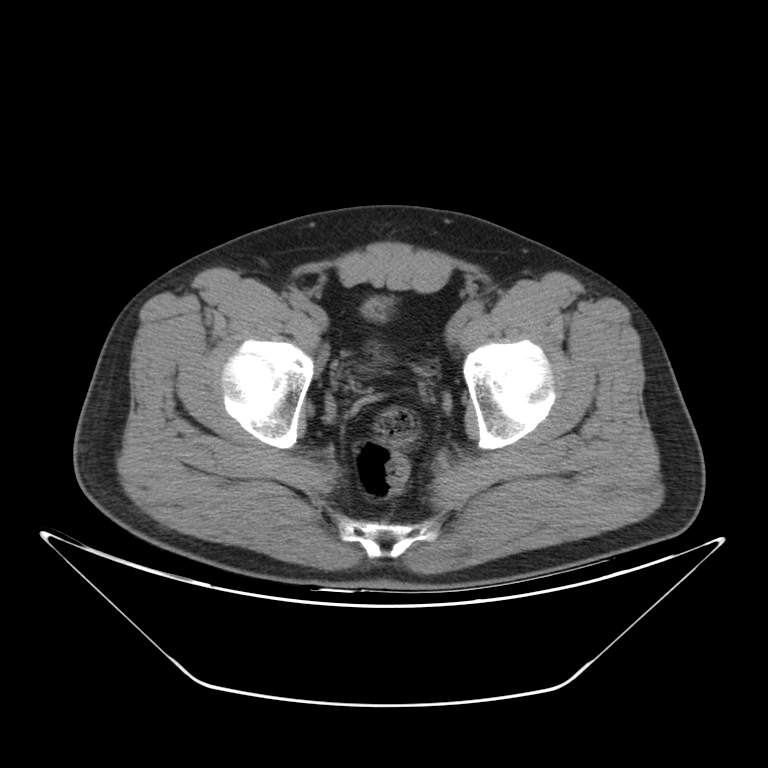 Computed tomography, abdomen; axial view; soft-tissue window (W 400 / L 40); acquired on Brilliance16; 15 organs annotated in this scan (counted over the whole 3D scan, not this slice; an organ is boxed only where this slice passes through it)
Coordinates as <box>x1,y1,x2,y2</box> in pixels. Labeled organs on this slice: bladder at <box>364,300,385,318</box>.